MRI, abdomen. coronal view. percentile-normalized. 320x320 px. Prisma scanner. scan has 13 labeled organs (a whole-scan count: organs this slice does not pass through have no box)
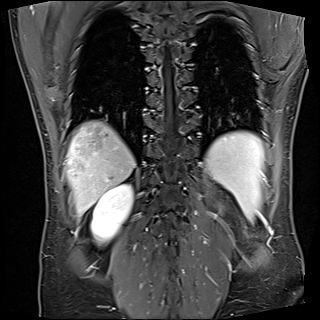
Box edges are left/top/right/bottom in pixels.
spleen: left=205, top=132, right=263, bottom=220
right kidney: left=91, top=183, right=132, bottom=243
liver: left=66, top=121, right=135, bottom=215